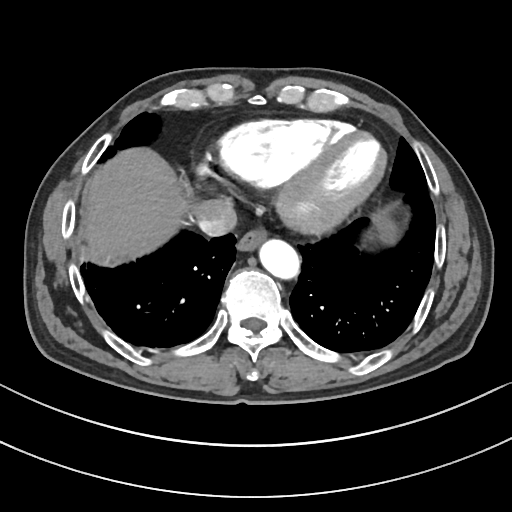
Abdominal CT — axial view — 15 organs annotated in this scan (counted over the whole 3D scan, not this slice; an organ is boxed only where this slice passes through it)
<organs><organ name="esophagus" x1="237" y1="232" x2="264" y2="253"/><organ name="liver" x1="83" y1="149" x2="181" y2="262"/><organ name="stomach" x1="374" y1="215" x2="394" y2="240"/><organ name="aorta" x1="260" y1="241" x2="301" y2="280"/><organ name="inferior vena cava" x1="195" y1="199" x2="237" y2="237"/></organs>